CT, abdomen/pelvis — axial plane, index 156 — 512x512 px — 15 organs annotated in this scan (counted over the whole 3D scan, not this slice; an organ is boxed only where this slice passes through it)
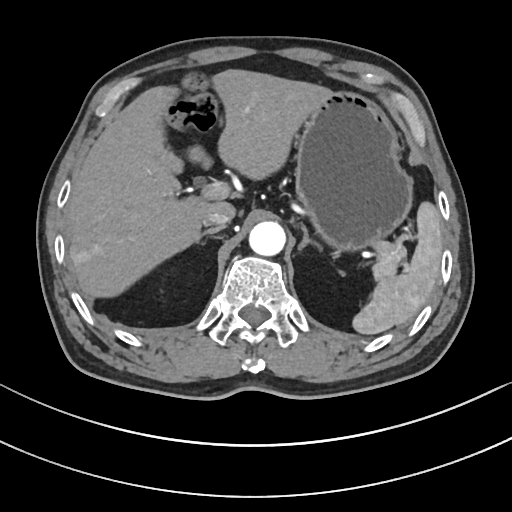

<organs><organ name="spleen" x1="352" y1="202" x2="442" y2="334"/><organ name="liver" x1="66" y1="69" x2="327" y2="297"/><organ name="stomach" x1="295" y1="90" x2="412" y2="250"/><organ name="aorta" x1="248" y1="221" x2="285" y2="255"/><organ name="inferior vena cava" x1="203" y1="207" x2="234" y2="226"/><organ name="pancreas" x1="373" y1="243" x2="403" y2="281"/><organ name="right adrenal gland" x1="197" y1="227" x2="222" y2="242"/><organ name="left adrenal gland" x1="299" y1="225" x2="321" y2="250"/></organs>